Abdominal CT reaching into the chest; this slice is in the chest; axial view; 13 organs annotated in this scan (a whole-scan count: organs this slice does not pass through have no box)
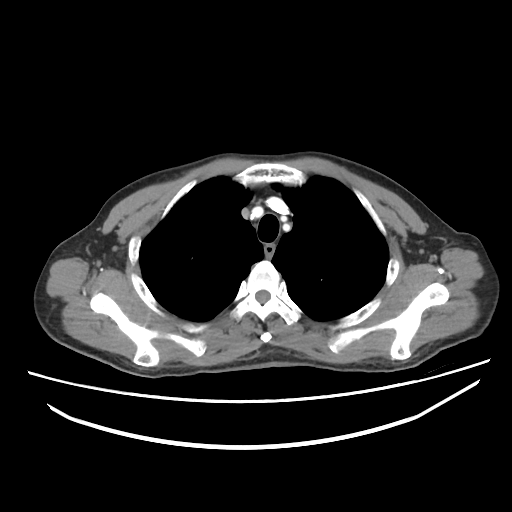 On a slice this high in the chest, this dataset labels only the esophagus and the aorta, and each is boxed only where it is labeled; the heart, lungs and other chest structures are not labeled.
Boxes are (x1, y1, x2, y2) in pixels.
Organ bounding boxes:
- esophagus: (264, 243, 275, 256)